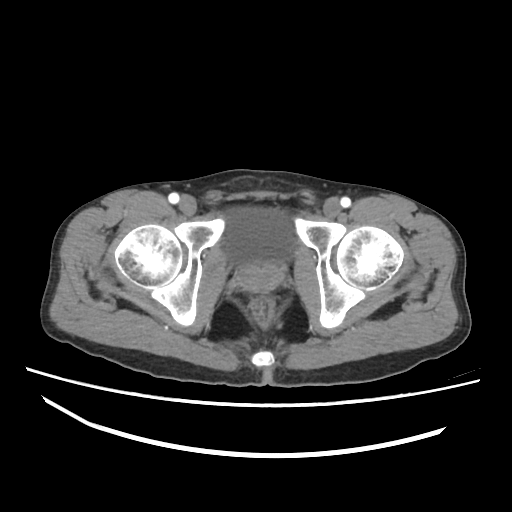
Computed tomography, abdomen; Axial slice 21/140; soft-tissue window
Bounding boxes as [x1, y1, x2, y2] in pixel coordinates. 2 labeled organs on this slice — bladder at [220, 208, 298, 265]; prostate/uterus at [237, 263, 284, 292].